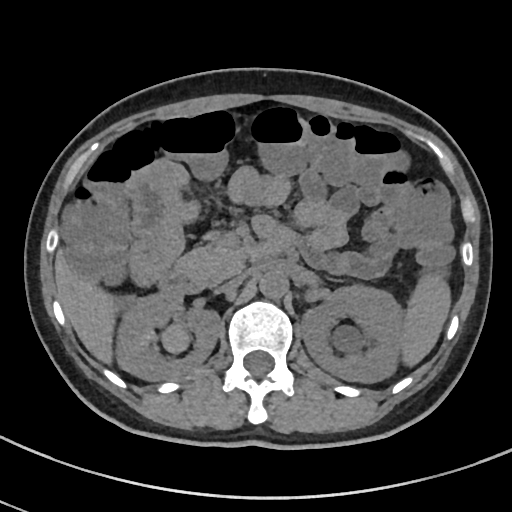 Abdominal CT. Axial slice 158/218. W/L 400/40 HU. SOMATOM Force scanner. 15 organs annotated in this scan (that count is for the whole scan; organs this slice misses have no box)
Boxes: x1 y1 x2 y2 (pixel coords, space-separated).
Organ bounding boxes:
- spleen: 402 273 449 364
- right kidney: 114 289 218 380
- left kidney: 301 283 404 382
- liver: 56 250 116 362
- aorta: 259 269 288 298
- inferior vena cava: 216 274 245 293
- pancreas: 177 242 247 286
- duodenum: 161 227 294 295